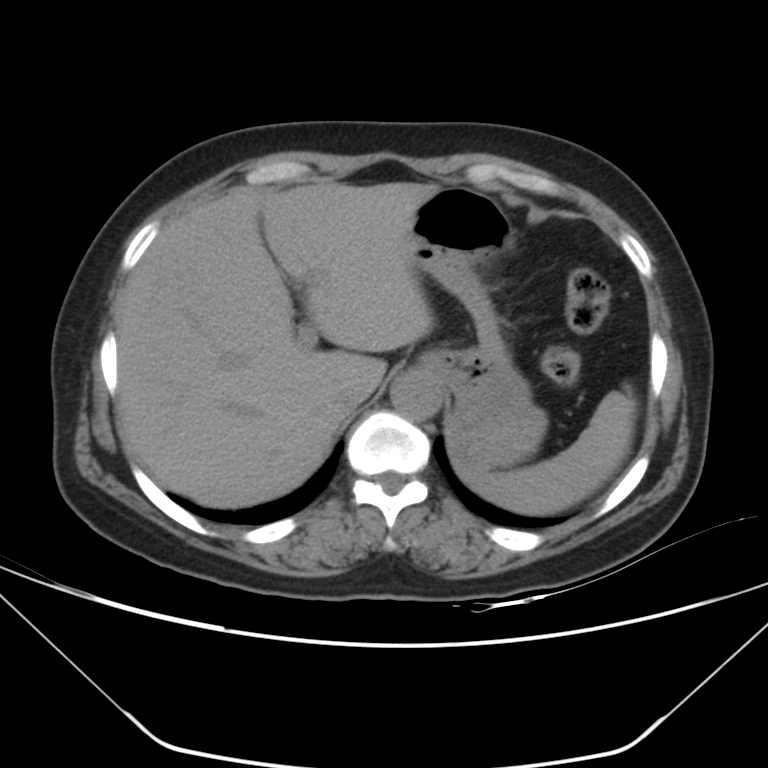

CT, abdomen/pelvis. axial view. abdomen soft-tissue window
Bounding boxes as [x1, y1, x2, y2] in pixel coordinates.
Organ bounding boxes:
- spleen: [456, 386, 637, 515]
- liver: [117, 181, 438, 507]
- stomach: [409, 186, 547, 469]
- aorta: [390, 372, 443, 420]
- inferior vena cava: [334, 380, 369, 412]